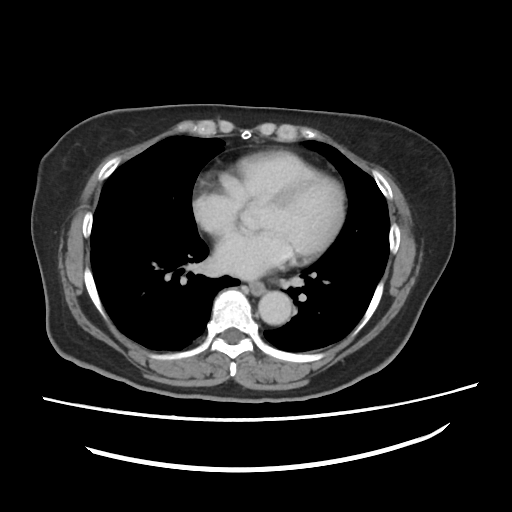

CT of the abdomen reaching into the lower chest, slice just above the liver and spleen; axial view; 61-year-old female patient; Aquilion ONE scanner
Of the structures in the chest, this dataset labels only the esophagus, the aorta and the inferior vena cava; the heart and lungs have no label.
Each box given as x1,y1,x2,y2.
Organ bounding boxes:
- esophagus: x1=243, y1=280, x2=265, y2=295
- aorta: x1=258, y1=290, x2=292, y2=323